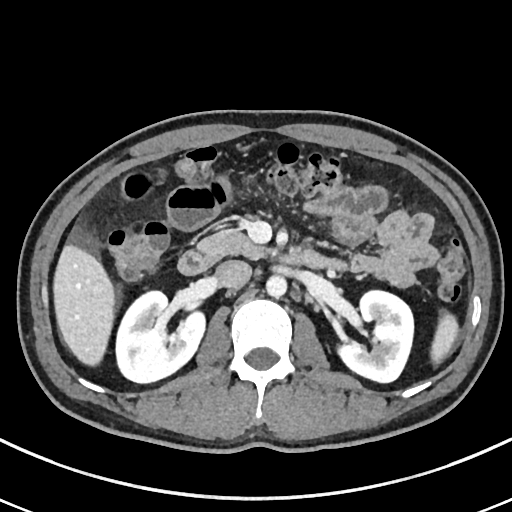

Abdominal CT. axial view. soft-tissue window. 512x512 px
{"organs":{"spleen":[431,314,458,364],"right kidney":[117,292,204,383],"left kidney":[336,290,413,382],"liver":[52,245,114,366],"aorta":[266,276,287,297],"inferior vena cava":[214,260,251,288],"pancreas":[197,230,267,258],"duodenum":[176,249,341,275]}}